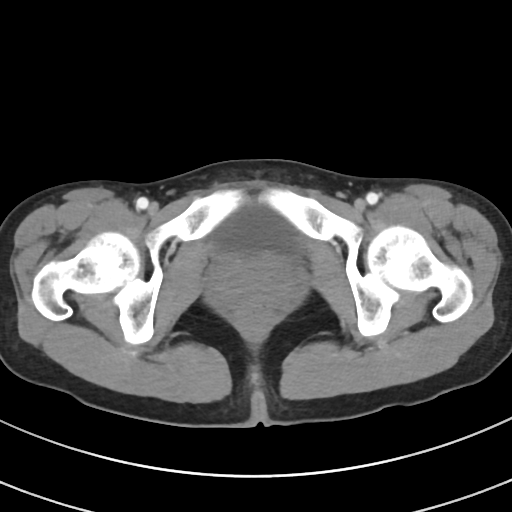
CT, abdomen/pelvis · axial plane, index 9 · SOMATOM Force scanner · 15 organs annotated in this scan (that count is for the whole scan; organs this slice misses have no box)
Bounding boxes in pixels, one row per box: x1, y1 is the top-left corner and x2, y2 the bottom-right.
| organ | x1 | y1 | x2 | y2 |
|---|---|---|---|---|
| bladder | 205 | 203 | 303 | 259 |